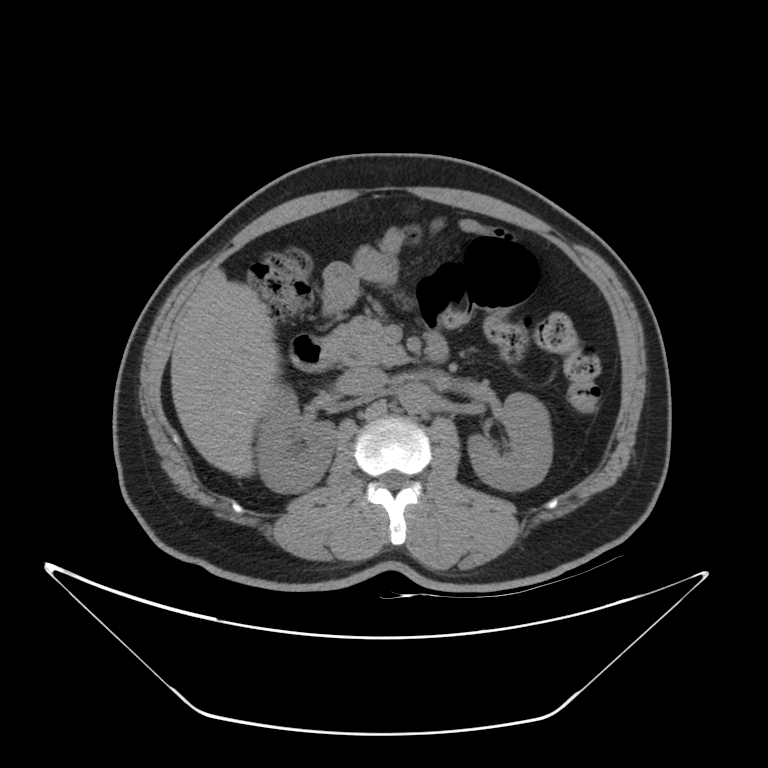
Computed tomography, abdomen — axial view — abdomen soft-tissue window — 768x768 px
Boxes are (x1, y1, x2, y2) in pixels. The annotated organs in this slice are: aorta at (399, 383, 430, 413), left kidney at (468, 393, 553, 490), liver at (171, 269, 280, 477), inferior vena cava at (342, 367, 387, 395), duodenum at (290, 333, 448, 372), right kidney at (256, 386, 336, 493), pancreas at (324, 315, 408, 366).